Computed tomography, abdomen — axial view — W/L 400/40 HU — 512x512 px
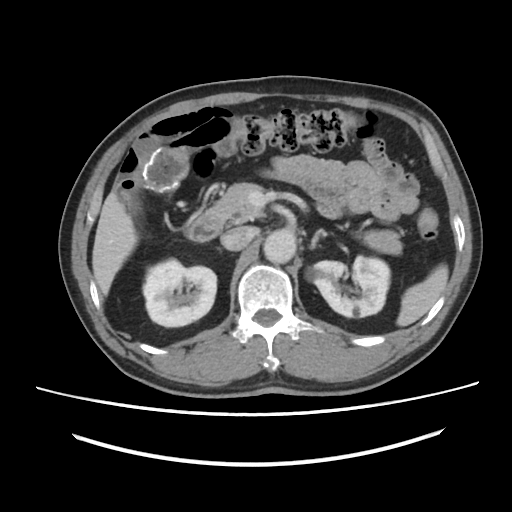

Boxes: x1 y1 x2 y2 (pixel coords, space-separated).
spleen: 396 264 448 326
right kidney: 143 258 216 326
left kidney: 307 255 390 316
liver: 92 194 137 295
aorta: 263 229 296 263
inferior vena cava: 221 226 253 250
pancreas: 208 182 402 254
left adrenal gland: 310 231 322 248
duodenum: 184 211 222 241